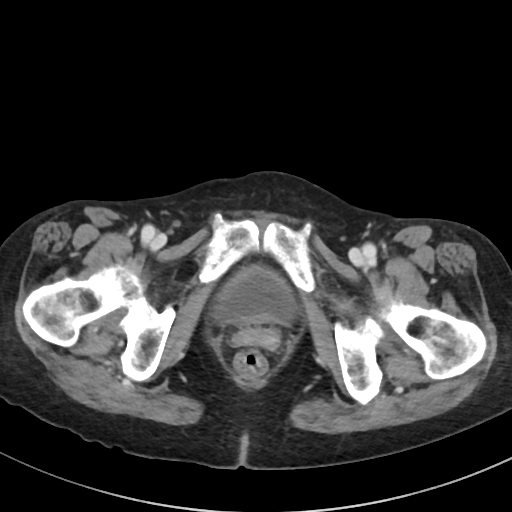 Computed tomography, abdomen. Axial slice 6/78. 512x512 px. SOMATOM Force scanner
Boxes: x1 y1 x2 y2 (pixel coords, space-separated).
bladder: 213 267 296 323